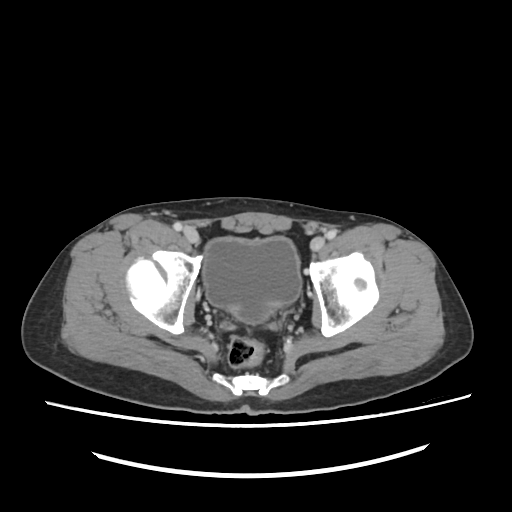

Abdominal CT · Axial slice 20/126 · abdomen soft-tissue window · acquired on Aquilion ONE
Coordinates as <box>x1,y1,x2,y2</box> in pixels.
Organ bounding boxes:
- bladder: <box>202,235,301,322</box>